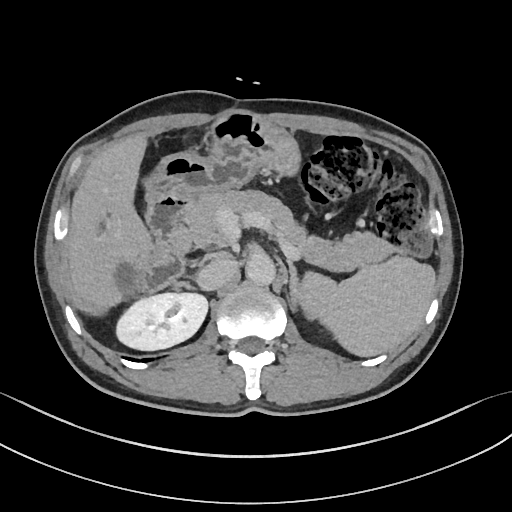 CT abdomen — axial view
{"organs":{"spleen":[301,257,435,356],"right kidney":[116,293,207,350],"liver":[67,133,151,312],"stomach":[146,110,300,204],"aorta":[245,254,275,284],"inferior vena cava":[196,258,236,290],"pancreas":[182,190,394,271],"right adrenal gland":[178,282,194,289],"left adrenal gland":[286,258,299,311],"duodenum":[134,196,189,292]}}